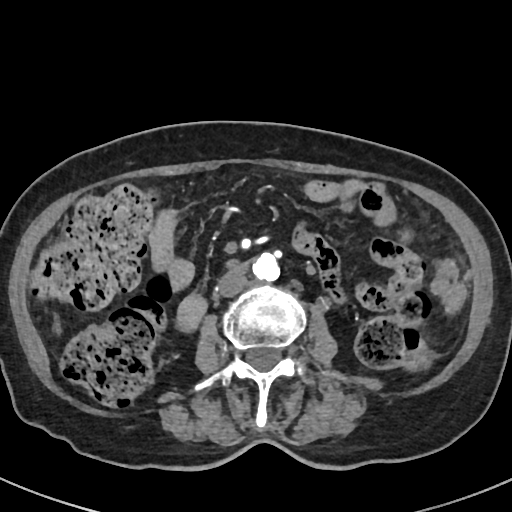

CT, abdomen/pelvis · axial view · soft-tissue window · 512x512 px · SOMATOM Force scanner
Bounding boxes as [x1, y1, x2, y2] in pixel coordinates.
Organ bounding boxes:
- aorta: [252, 252, 280, 282]
- inferior vena cava: [216, 271, 248, 298]
- duodenum: [221, 258, 241, 267]